Abdominal CT — Axial slice 49/68 — abdomen soft-tissue window — scan has 15 labeled organs (a whole-scan count: organs this slice does not pass through have no box)
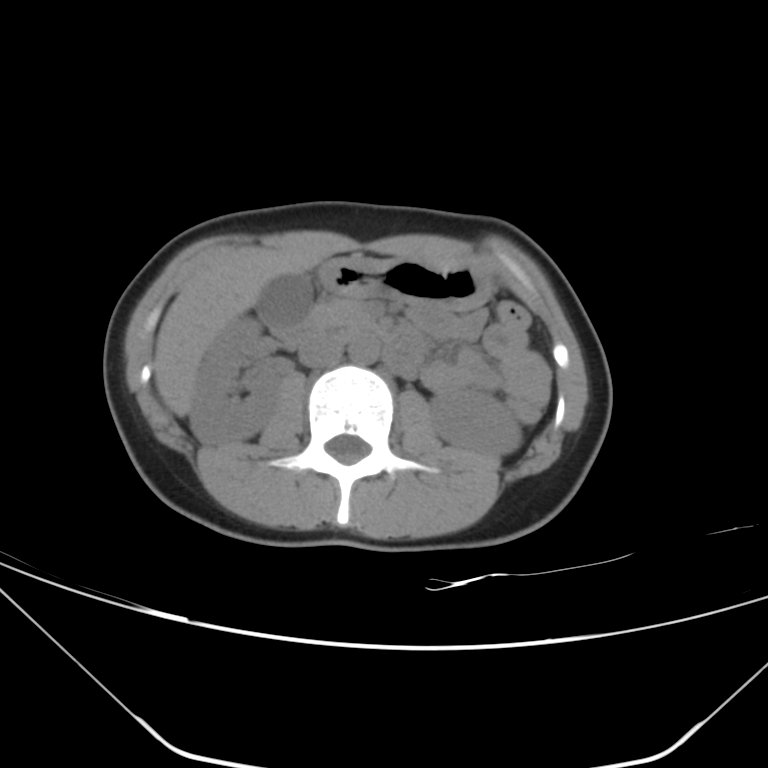 <organs><organ name="left kidney" x1="428" y1="388" x2="522" y2="455"/><organ name="inferior vena cava" x1="297" y1="335" x2="344" y2="367"/><organ name="gall bladder" x1="257" y1="273" x2="311" y2="322"/><organ name="aorta" x1="349" y1="335" x2="379" y2="363"/><organ name="pancreas" x1="318" y1="299" x2="363" y2="327"/><organ name="liver" x1="154" y1="253" x2="323" y2="417"/><organ name="right kidney" x1="190" y1="316" x2="279" y2="444"/><organ name="stomach" x1="318" y1="255" x2="489" y2="310"/><organ name="duodenum" x1="266" y1="307" x2="424" y2="375"/></organs>